CT, abdomen/pelvis. axial view. soft-tissue window
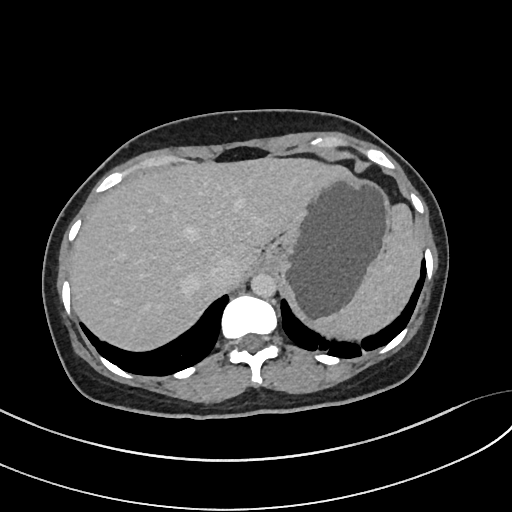 Each box given as x1,y1,x2,y2.
Organ bounding boxes:
- inferior vena cava: x1=207, y1=258, x2=240, y2=286
- liver: x1=70, y1=156, x2=342, y2=351
- aorta: x1=250, y1=273, x2=276, y2=298
- stomach: x1=264, y1=168, x2=391, y2=323
- spleen: x1=314, y1=204, x2=421, y2=338